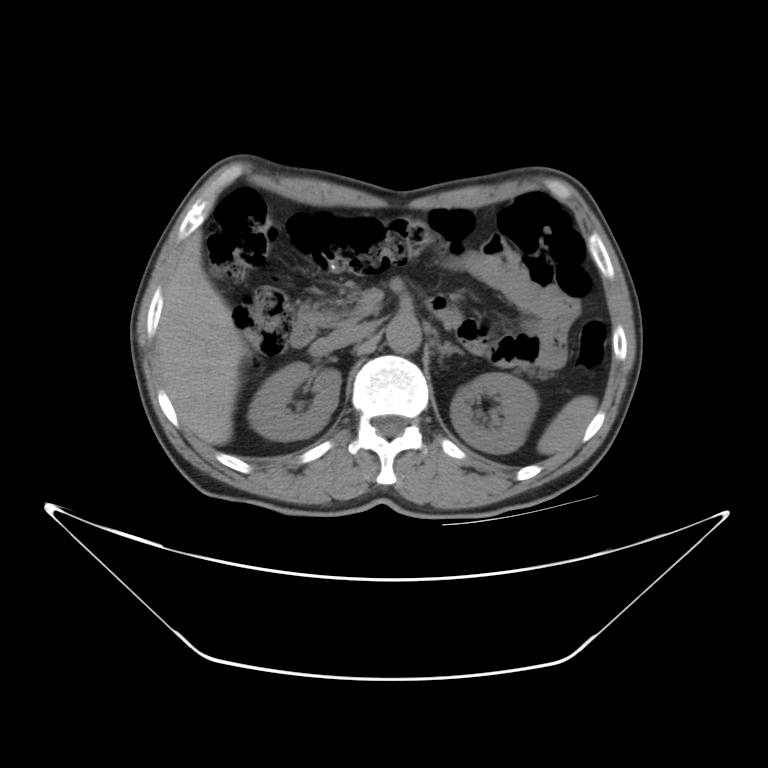

CT, abdomen/pelvis — axial view — soft-tissue window — 768x768 px — 15 organs annotated in this scan (counted over the whole 3D scan, not this slice; an organ is boxed only where this slice passes through it)
Box edges are left/top/right/bottom in pixels. 9 labeled organs on this slice — spleen at left=538, top=395, right=597, bottom=455; right kidney at left=248, top=363, right=340, bottom=440; left kidney at left=451, top=375, right=535, bottom=453; liver at left=157, top=227, right=249, bottom=443; aorta at left=386, top=316, right=419, bottom=352; inferior vena cava at left=332, top=322, right=377, bottom=344; pancreas at left=300, top=279, right=372, bottom=327; left adrenal gland at left=435, top=337, right=463, bottom=368; duodenum at left=290, top=296, right=464, bottom=348.